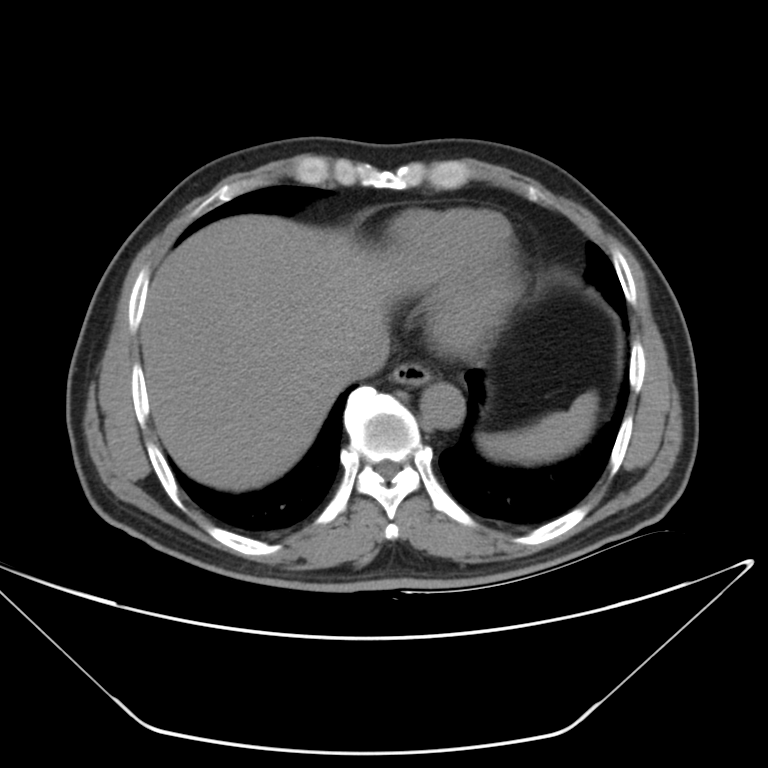
Abdominal CT; axial view
Box edges are left/top/right/bottom in pixels.
Organ bounding boxes:
- aorta: left=418, top=382, right=462, bottom=427
- esophagus: left=389, top=362, right=430, bottom=387
- spleen: left=483, top=391, right=594, bottom=461
- inferior vena cava: left=348, top=345, right=388, bottom=378
- liver: left=138, top=214, right=416, bottom=489